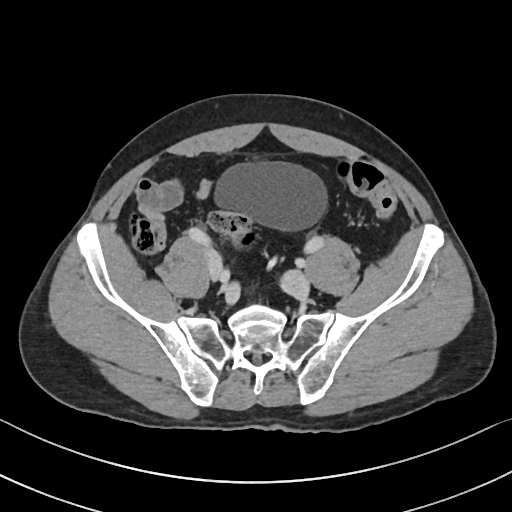
Abdominal CT; axial view; soft-tissue window; SOMATOM Force scanner; 15 organs annotated in this scan (a whole-scan count: organs this slice does not pass through have no box)
Boxes are (x1, y1, x2, y2) in pixels.
bladder: (217, 163, 324, 228)